Computed tomography, abdomen; axial view
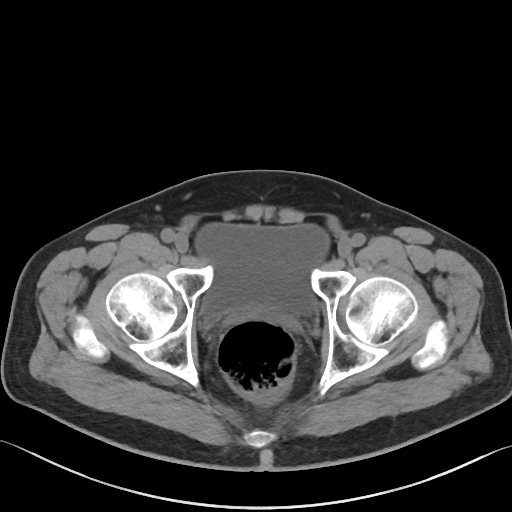 Box edges are left/top/right/bottom in pixels. The annotated organs in this slice are: bladder at left=196, top=223, right=328, bottom=317.